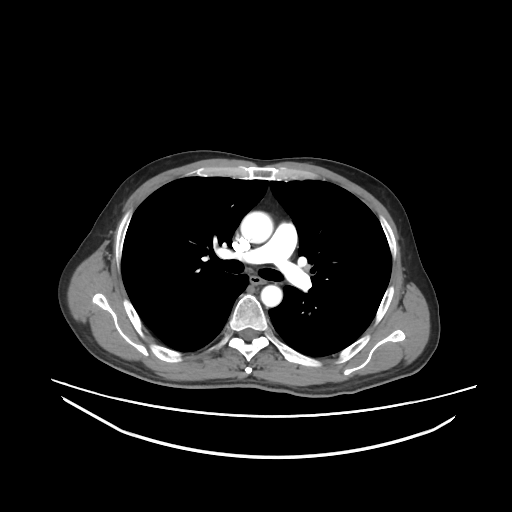

Chest-level slice from an abdominal CT that extends up into the chest — axial plane, index 108 — W/L 400/40 HU — 512x512 px — 15 organs annotated in this scan (a whole-scan count: organs this slice does not pass through have no box)
At this level of the chest no structure but the esophagus and the aorta has a label in this dataset, and those two are boxed only where they are labeled.
Coordinates as <box>x1,y1,x2,y2</box> in pixels.
Organ bounding boxes:
- esophagus: <box>250,275,265,283</box>
- aorta: <box>240,211,273,243</box>
- aorta: <box>260,285,282,306</box>